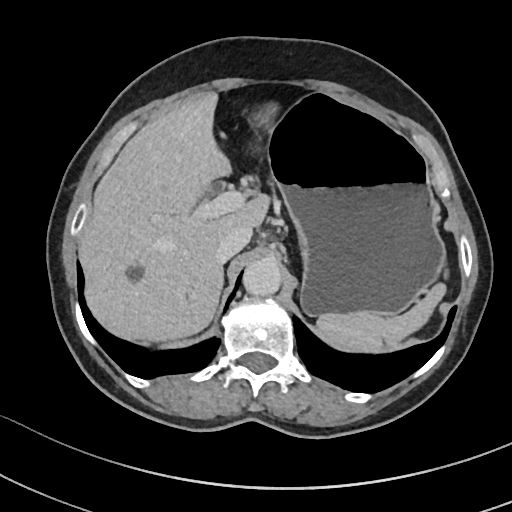 CT, abdomen/pelvis. axial view
<organs><organ name="liver" x1="79" y1="92" x2="270" y2="345"/><organ name="aorta" x1="243" y1="258" x2="281" y2="295"/><organ name="spleen" x1="317" y1="281" x2="447" y2="352"/><organ name="inferior vena cava" x1="215" y1="225" x2="251" y2="263"/><organ name="stomach" x1="269" y1="95" x2="442" y2="315"/></organs>